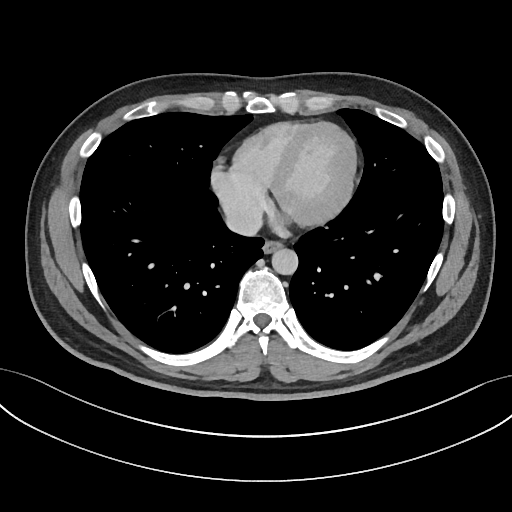

Lower-chest slice from an abdominal CT, just above the liver and spleen. axial view. W/L 400/40 HU
The heart and lungs are never labeled in this dataset, so they have no box on this slice.
Bounding boxes in pixels, one row per box: x1, y1 is the top-left corner and x2, y2 the bottom-right.
| organ | x1 | y1 | x2 | y2 |
|---|---|---|---|---|
| aorta | 272 | 248 | 298 | 275 |
| esophagus | 262 | 242 | 281 | 253 |
| inferior vena cava | 225 | 208 | 261 | 235 |